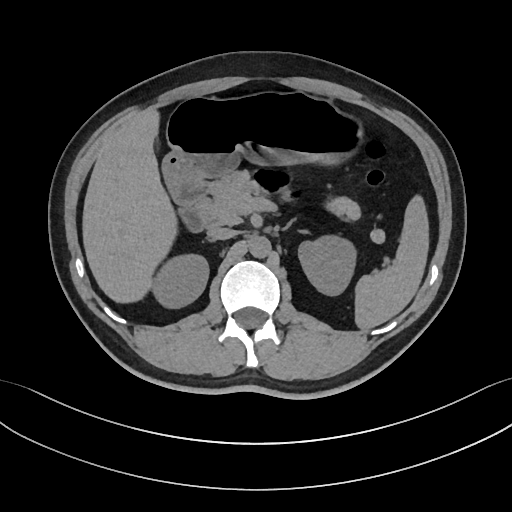 Computed tomography, abdomen; axial view; 15 organs annotated in this scan (a whole-scan count: organs this slice does not pass through have no box)
One row per box, in pixels: columns x1 and y1 give the top-left corner, x2 and y2 the bottom-right.
| organ | x1 | y1 | x2 | y2 |
|---|---|---|---|---|
| liver | 82 | 109 | 177 | 303 |
| pancreas | 203 | 171 | 360 | 225 |
| stomach | 163 | 91 | 363 | 191 |
| duodenum | 171 | 179 | 208 | 231 |
| aorta | 249 | 236 | 270 | 258 |
| left kidney | 298 | 235 | 356 | 295 |
| inferior vena cava | 207 | 228 | 236 | 240 |
| left adrenal gland | 283 | 220 | 293 | 229 |
| right kidney | 152 | 254 | 208 | 308 |
| spleen | 355 | 195 | 428 | 329 |